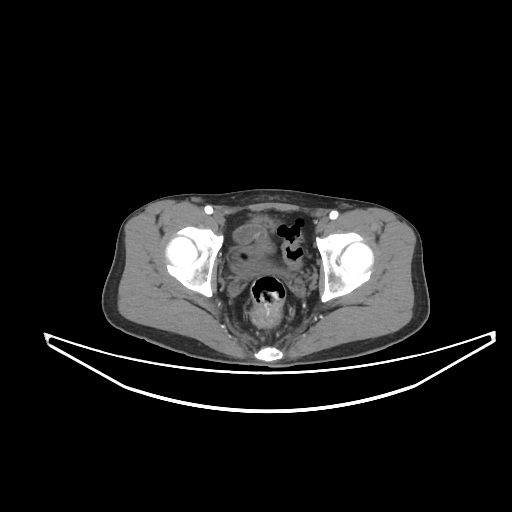

CT abdomen · axial view · abdomen soft-tissue window · 512x512 px
{"organs":{"bladder":[251,263,267,273]}}